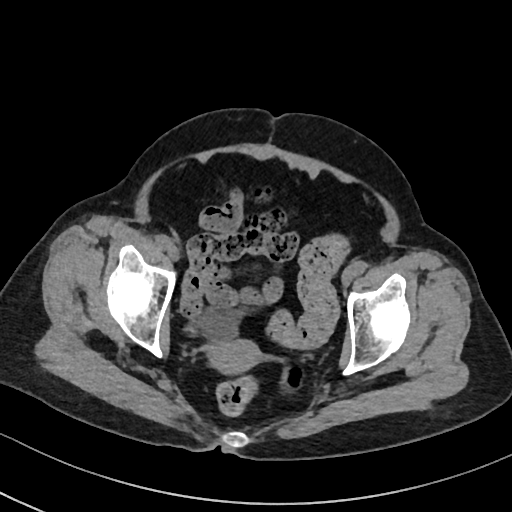

CT abdomen; axial view; soft-tissue window
Boxes: x1 y1 x2 y2 (pixel coords, space-separated). The annotated organs in this slice are: bladder at 197 305 254 339, prostate/uterus at 207 340 260 374.